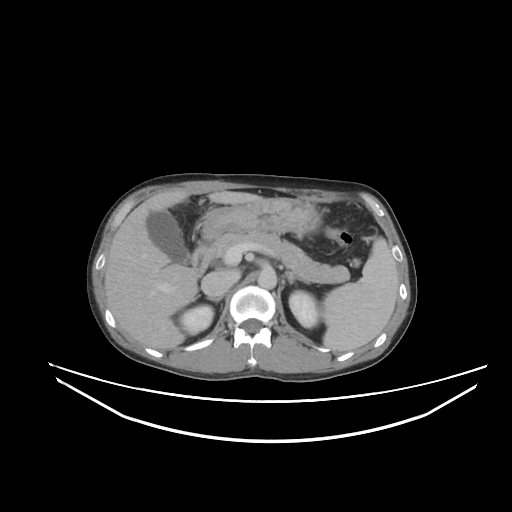

Computed tomography, abdomen; Axial slice 72/132; W/L 400/40 HU
Boxes are (x1, y1, x2, y2) in pixels.
Organ bounding boxes:
- spleen: (322, 237, 398, 352)
- right kidney: (178, 305, 214, 335)
- left kidney: (289, 290, 318, 328)
- gall bladder: (147, 210, 189, 264)
- liver: (104, 189, 263, 349)
- stomach: (202, 197, 320, 240)
- aorta: (257, 269, 276, 289)
- inferior vena cava: (201, 271, 239, 296)
- pancreas: (210, 231, 349, 283)
- right adrenal gland: (199, 295, 222, 302)
- left adrenal gland: (284, 271, 301, 284)
- duodenum: (191, 243, 211, 275)